Abdominal CT · axial plane, index 39 · abdomen soft-tissue window · Aquilion ONE scanner · scan has 15 labeled organs (a whole-scan count: organs this slice does not pass through have no box)
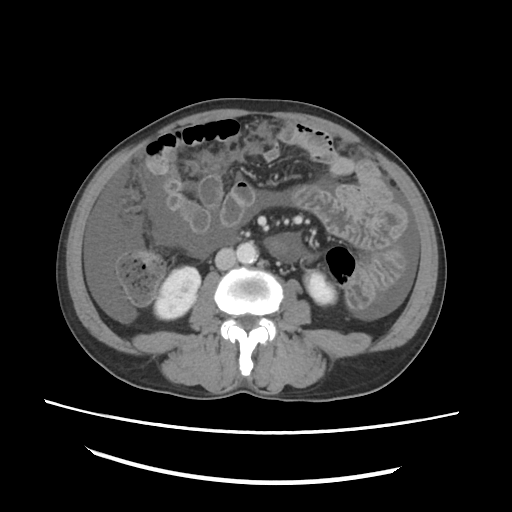 Boxes: x1 y1 x2 y2 (pixel coords, space-separated).
Organ bounding boxes:
- inferior vena cava: 215 248 236 269
- left kidney: 304 271 336 304
- aorta: 236 242 258 263
- right kidney: 155 266 200 319